Lower-chest slice from an abdominal CT, just above the liver and spleen — Axial slice 341/345 — W/L 400/40 HU — scan has 15 labeled organs (counted over the whole 3D scan, not this slice; an organ is boxed only where this slice passes through it)
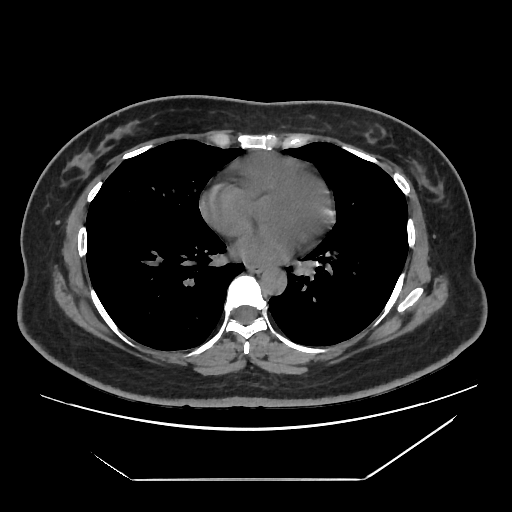
The heart and lungs are never labeled in this dataset, so they have no box on this slice. Boxes: x1 y1 x2 y2 (pixel coords, space-separated). Labeled organs on this slice: aorta at 261 267 287 294, esophagus at 247 264 262 271.